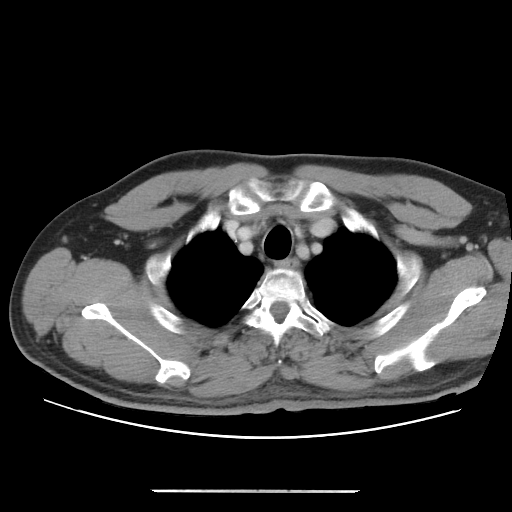
Chest-level slice from an abdominal CT that extends up into the chest; axial view; scan has 15 labeled organs (counted over the whole 3D scan, not this slice; an organ is boxed only where this slice passes through it)
At this level of the chest this dataset labels only the esophagus and the aorta, and each is boxed only where it is labeled; the heart and lungs are never labeled.
<organs><organ name="esophagus" x1="276" y1="260" x2="298" y2="270"/></organs>